CT abdomen · Axial slice 27/91 · 512x512 px · 15 organs annotated in this scan (counted over the whole 3D scan, not this slice; an organ is boxed only where this slice passes through it)
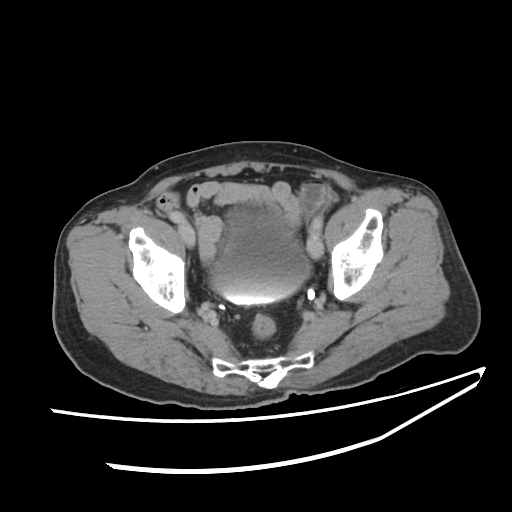 Bounding boxes as [x1, y1, x2, y2] in pixel coordinates. Labeled organs on this slice: bladder at [209, 203, 309, 305].